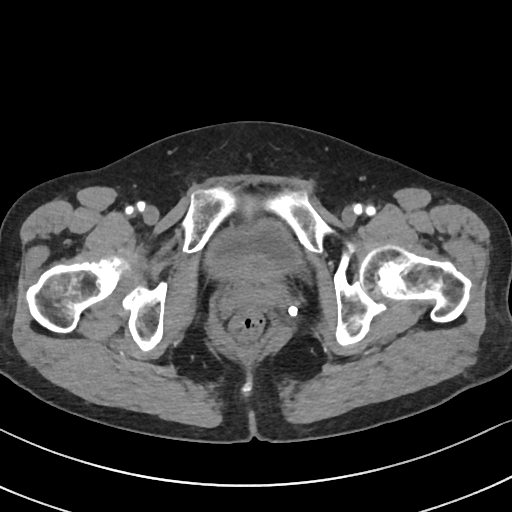

CT, abdomen/pelvis — axial view — 512x512 px — scan has 15 labeled organs (a whole-scan count: organs this slice does not pass through have no box)
{"organs":{"bladder":[207,219,302,278]}}